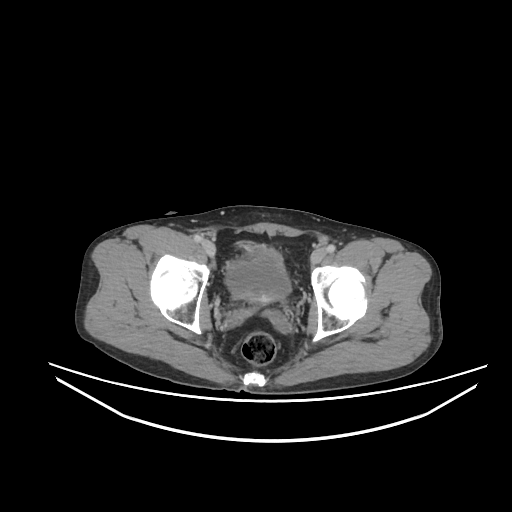 Abdominal CT — axial view — 512x512 px
Organ boxes in pixel coordinates; each row gives the top-left (x1, y1) and bottom-right (x2, y2) corners.
| organ | x1 | y1 | x2 | y2 |
|---|---|---|---|---|
| bladder | 226 | 249 | 290 | 300 |